Lower-chest slice from an abdominal CT, just above the liver and spleen; axial plane, index 83; soft-tissue window, W/L 400/40
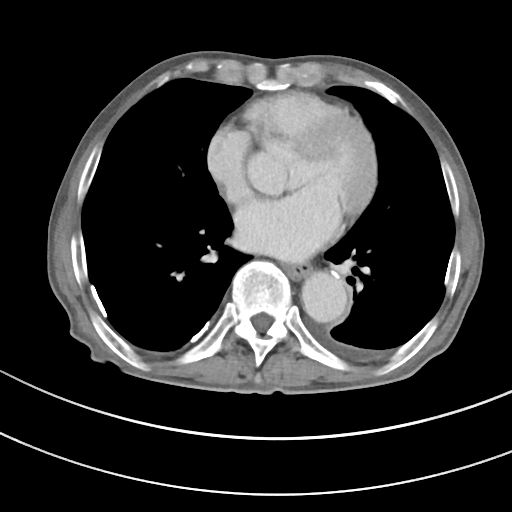
Of the structures in the chest, this dataset labels only the esophagus, the aorta and the inferior vena cava; the heart and lungs have no label.
Bounding boxes in pixels, one row per box: x1, y1 is the top-left corner and x2, y2 the bottom-right.
| organ | x1 | y1 | x2 | y2 |
|---|---|---|---|---|
| esophagus | 286 | 265 | 309 | 278 |
| aorta | 301 | 271 | 347 | 322 |